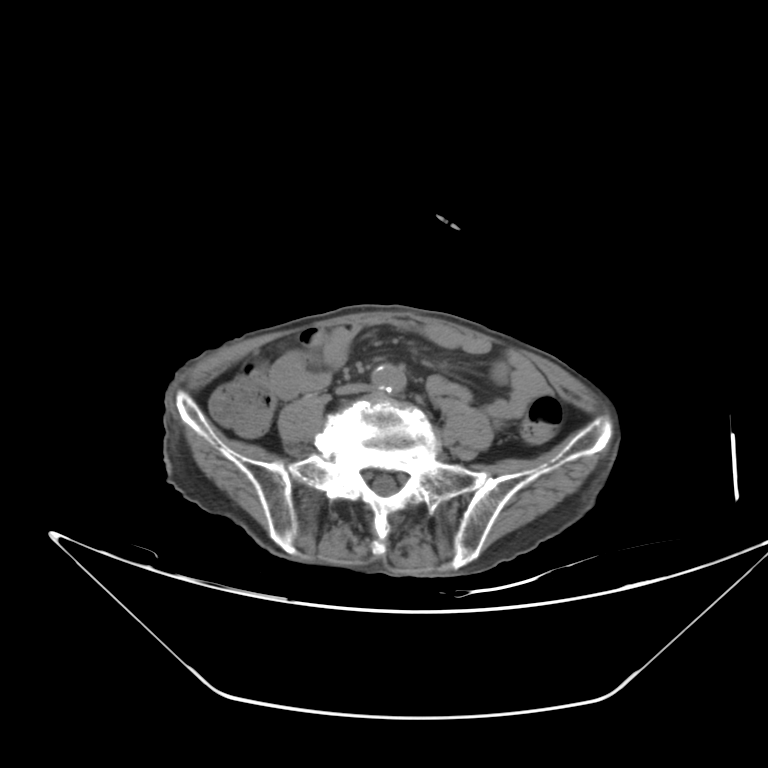 Abdominal CT — axial view — W/L 400/40 HU — 768x768 px — Brilliance16 scanner — scan has 15 labeled organs (a whole-scan count: organs this slice does not pass through have no box)
Each box given as x1,y1,x2,y2.
Organ bounding boxes:
- aorta: x1=371, y1=365, x2=406, y2=395
- inferior vena cava: x1=334, y1=383, x2=373, y2=395